Lower-chest slice from an abdominal CT, just above the liver and spleen — axial plane, index 85 — 512x512 px
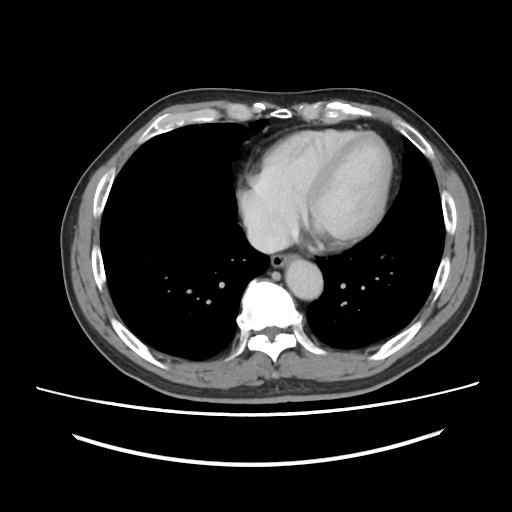
Of the structures in the chest, this dataset labels only the esophagus, the aorta and the inferior vena cava; the heart and lungs have no label.
{"organs":{"esophagus":[271,254,296,267],"aorta":[285,259,323,299],"inferior vena cava":[247,221,288,253]}}